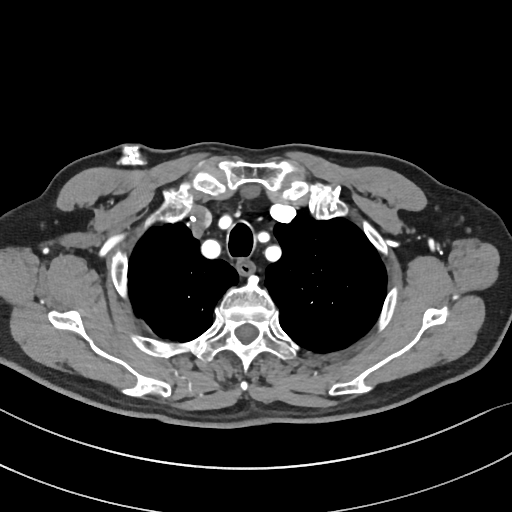

Chest-level CT slice, above the liver and spleen · axial view · soft-tissue window (W 400 / L 40)
At this level of the chest this dataset labels only the esophagus and the aorta, and each is boxed only where it is labeled; the heart and lungs are never labeled.
Bounding boxes in pixels, one row per box: x1, y1 is the top-left corner and x2, y2 the bottom-right.
| organ | x1 | y1 | x2 | y2 |
|---|---|---|---|---|
| esophagus | 237 | 260 | 254 | 274 |